Lower-chest slice from an abdominal CT, just above the liver and spleen; Axial slice 92/128; soft-tissue window (W 400 / L 40); 512x512 px; 15 organs annotated in this scan (that count is for the whole scan; organs this slice misses have no box)
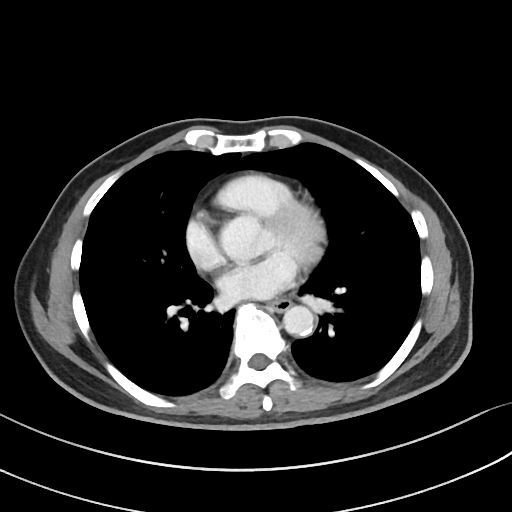

Of the structures in the chest, this dataset labels only the esophagus, the aorta and the inferior vena cava; the heart and lungs have no label.
{"organs":{"aorta":[283,305,313,335],"esophagus":[269,300,290,311]}}